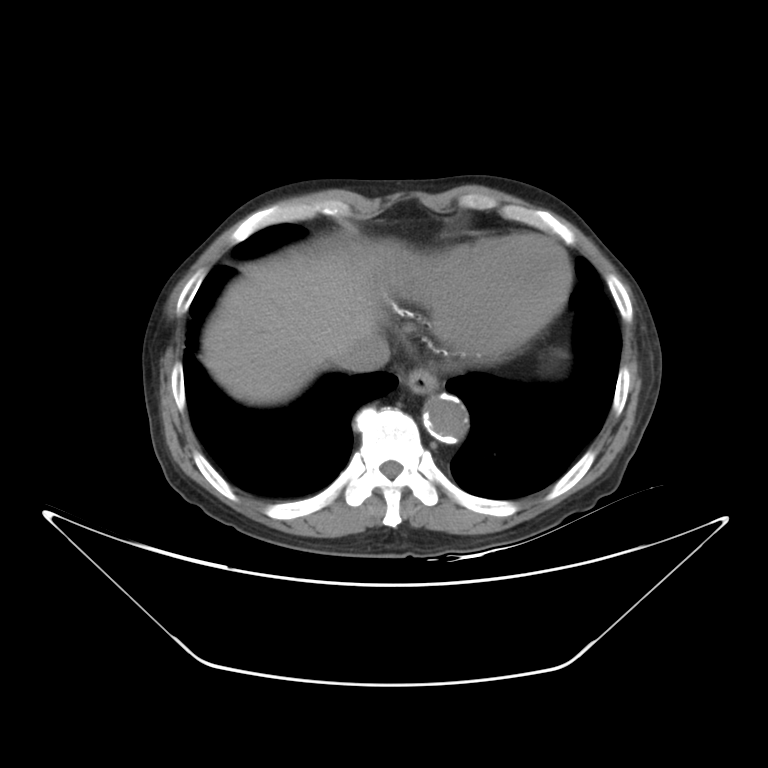
Computed tomography, abdomen; axial plane, index 87; abdomen soft-tissue window
<organs><organ name="esophagus" x1="404" y1="368" x2="439" y2="394"/><organ name="liver" x1="202" y1="241" x2="399" y2="404"/><organ name="aorta" x1="422" y1="394" x2="467" y2="442"/><organ name="inferior vena cava" x1="334" y1="337" x2="390" y2="372"/></organs>